Chest-level CT slice, above the liver and spleen — axial view
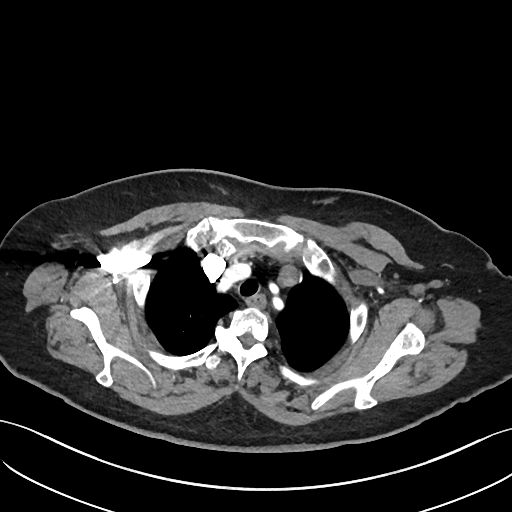 At this level of the chest this dataset labels only the esophagus and the aorta, and each is boxed only where it is labeled; the heart and lungs are never labeled.
Boxes are (x1, y1, x2, y2) in pixels.
esophagus: (246, 295, 265, 307)